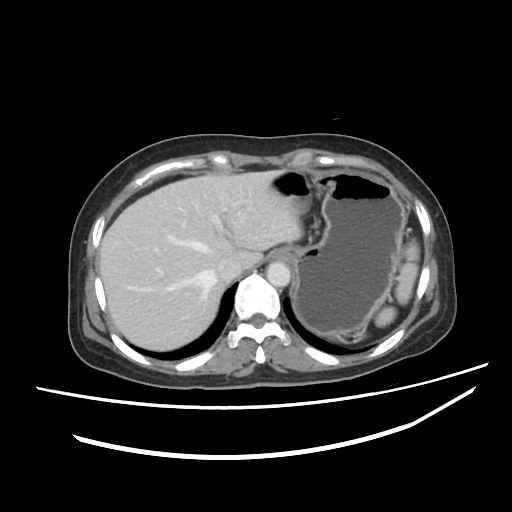 CT, abdomen/pelvis. axial view. soft-tissue window. 512x512 px. scan has 15 labeled organs (counted over the whole 3D scan, not this slice; an organ is boxed only where this slice passes through it)
Boxes: x1 y1 x2 y2 (pixel coords, space-separated).
Organ bounding boxes:
- inferior vena cava: 215 258 243 281
- spleen: 355 240 419 339
- liver: 99 170 301 350
- stomach: 271 170 407 334
- aorta: 266 262 290 286